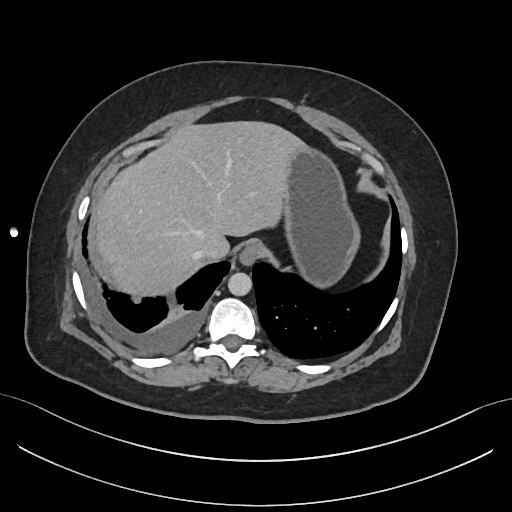 Abdominal CT · axial view · 512x512 px
{"organs":{"esophagus":[239,241,261,265],"liver":[95,121,305,295],"stomach":[281,146,360,287],"aorta":[228,272,251,295],"inferior vena cava":[197,240,225,259]}}